Abdominal CT. axial view. 15 organs annotated in this scan (counted over the whole 3D scan, not this slice; an organ is boxed only where this slice passes through it)
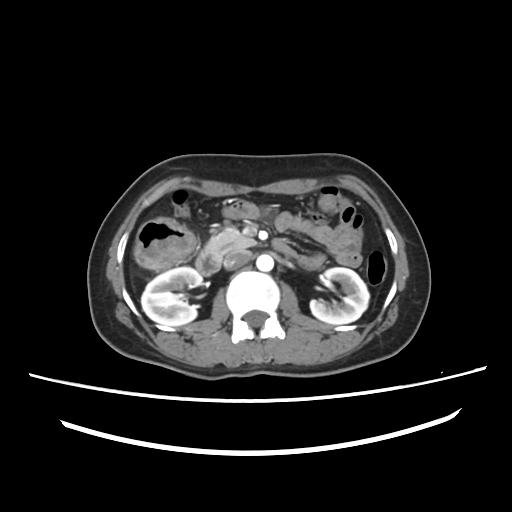
One row per box, in pixels: columns x1 and y1 give the top-left corner, x2 and y2 the bottom-right.
| organ | x1 | y1 | x2 | y2 |
|---|---|---|---|---|
| left kidney | 310 | 267 | 369 | 324 |
| pancreas | 206 | 228 | 256 | 256 |
| right kidney | 141 | 266 | 202 | 326 |
| aorta | 256 | 254 | 274 | 271 |
| inferior vena cava | 223 | 250 | 252 | 269 |
| duodenum | 195 | 239 | 296 | 275 |